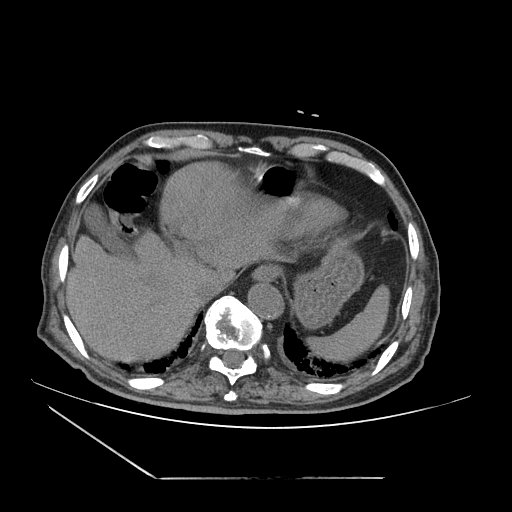

Computed tomography, abdomen — axial view — soft-tissue window (W 400 / L 40)
<organs><organ name="spleen" x1="309" y1="287" x2="389" y2="358"/><organ name="gall bladder" x1="82" y1="207" x2="132" y2="260"/><organ name="esophagus" x1="251" y1="267" x2="275" y2="284"/><organ name="liver" x1="67" y1="163" x2="281" y2="361"/><organ name="stomach" x1="251" y1="166" x2="362" y2="326"/><organ name="aorta" x1="249" y1="284" x2="284" y2="320"/><organ name="inferior vena cava" x1="194" y1="278" x2="224" y2="298"/></organs>